Abdominal CT; axial view; soft-tissue window; acquired on SOMATOM Force
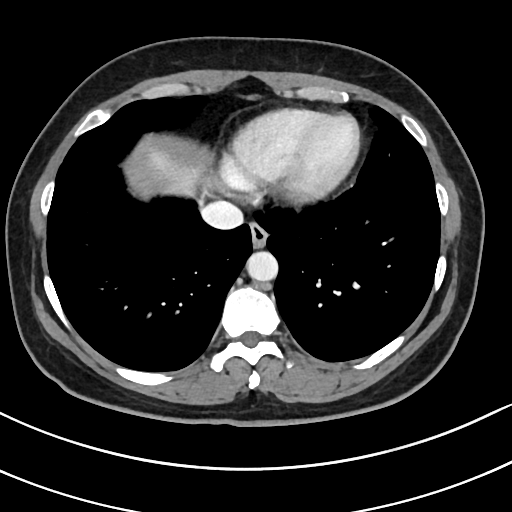 Bounding boxes in pixels, one row per box: x1, y1 is the top-left corner and x2, y2 the bottom-right.
| organ | x1 | y1 | x2 | y2 |
|---|---|---|---|---|
| liver | 142 | 146 | 201 | 197 |
| inferior vena cava | 200 | 201 | 243 | 230 |
| esophagus | 249 | 222 | 268 | 247 |
| aorta | 246 | 251 | 278 | 280 |